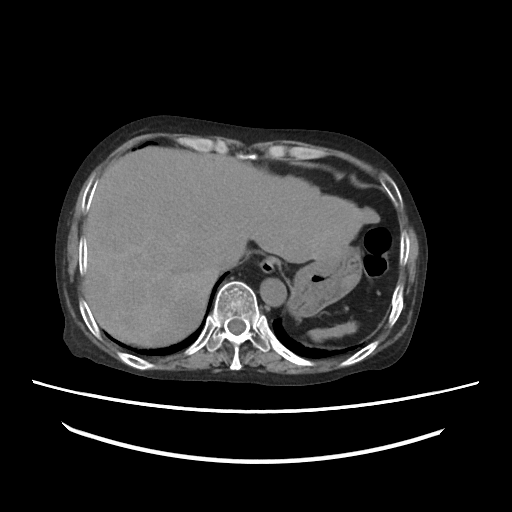
Computed tomography, abdomen; axial view; W/L 400/40 HU; 512x512 px
Bounding boxes in pixels, one row per box: x1, y1 is the top-left corner and x2, y2 the bottom-right.
| organ | x1 | y1 | x2 | y2 |
|---|---|---|---|---|
| liver | 83 | 146 | 379 | 346 |
| stomach | 289 | 246 | 362 | 317 |
| spleen | 309 | 321 | 356 | 341 |
| aorta | 260 | 278 | 286 | 306 |
| esophagus | 258 | 257 | 279 | 274 |
| inferior vena cava | 214 | 244 | 243 | 270 |